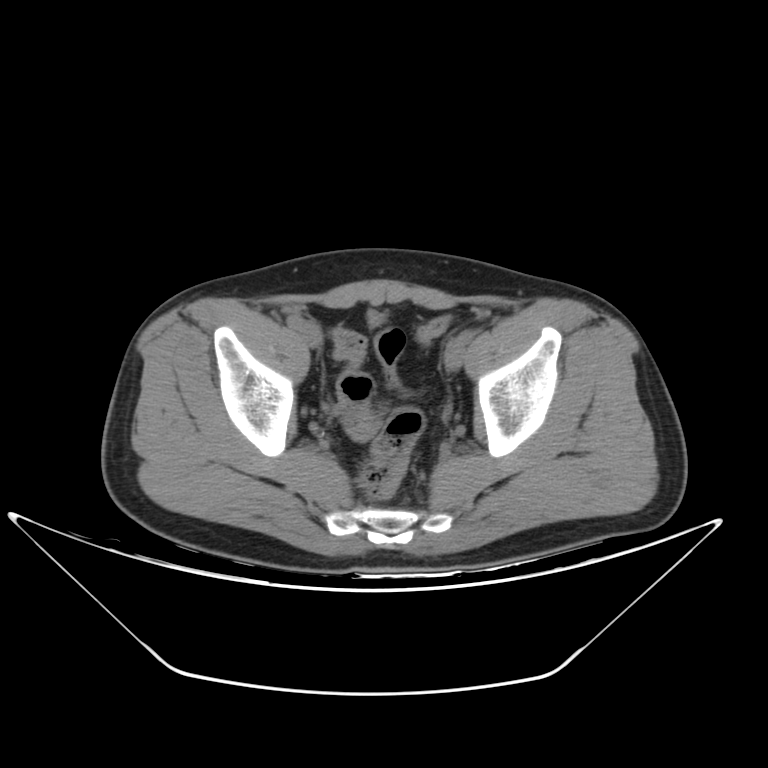 Abdominal CT; axial view
<organs><organ name="bladder" x1="369" y1="310" x2="384" y2="327"/></organs>